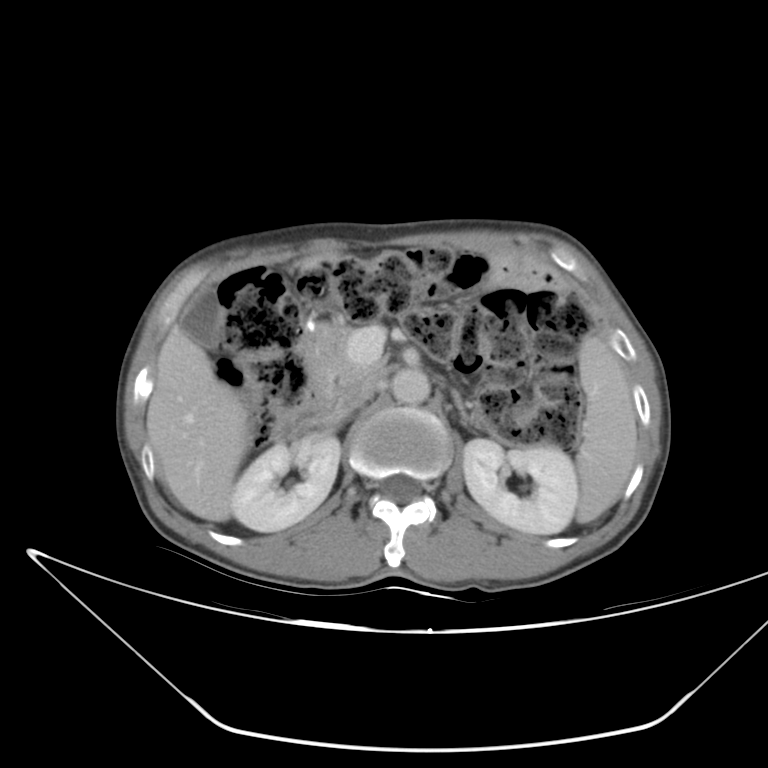
CT abdomen; Axial slice 38/104; 13 organs annotated in this scan (counted over the whole 3D scan, not this slice; an organ is boxed only where this slice passes through it)
{"organs":{"aorta":[392,367,429,405],"right kidney":[232,435,341,532],"spleen":[570,335,639,523],"left adrenal gland":[451,390,467,419],"left kidney":[462,438,580,533],"duodenum":[272,403,334,439],"gall bladder":[182,285,223,349],"pancreas":[304,320,387,408],"liver":[147,317,249,520],"inferior vena cava":[335,378,377,417]}}